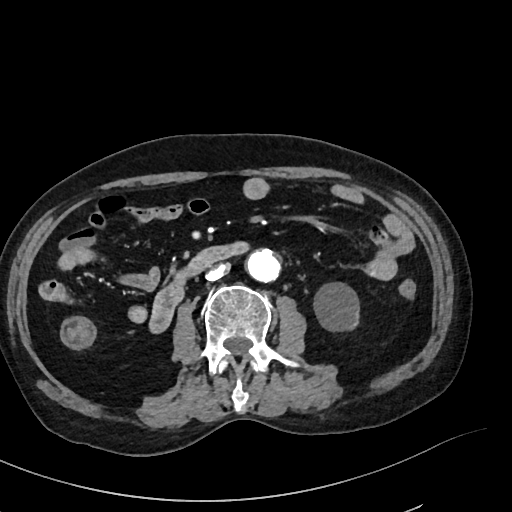
Abdominal CT; axial plane, index 126
Boxes: x1:y1:x2:y2 in pixels.
left kidney: 314:283:358:330
aorta: 247:249:280:282
duodenum: 150:242:247:331
inferior vena cava: 206:261:229:280